CT abdomen · axial view · 512x512 px
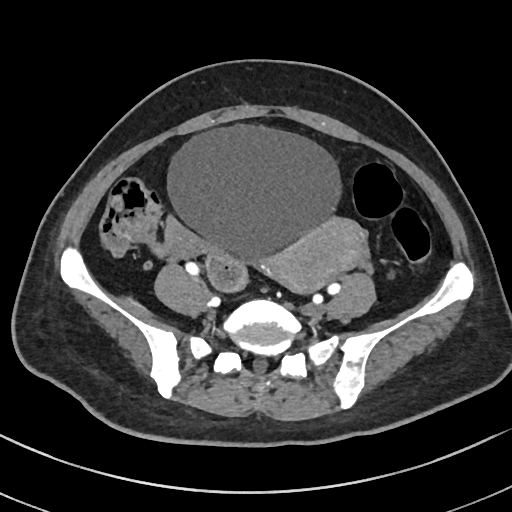
Boxes: x1:y1:x2:y2 in pixels.
bladder: 168:124:340:258
prostate/uterus: 262:217:367:295